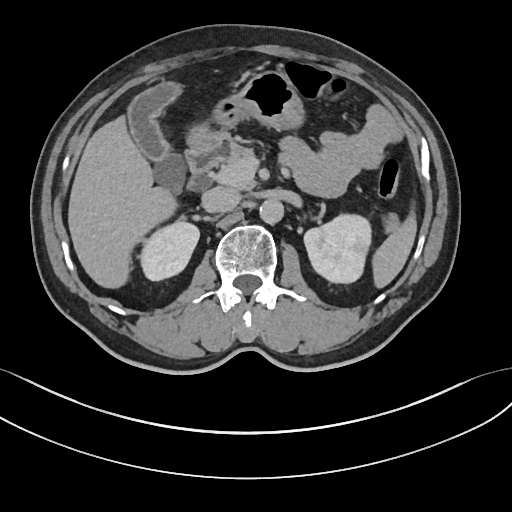 CT abdomen; axial plane, index 153; soft-tissue window; 512x512 px; SOMATOM Force scanner
Boxes: x1 y1 x2 y2 (pixel coords, space-separated).
Organ bounding boxes:
- spleen: 372 210 416 287
- right kidney: 139 220 199 280
- left kidney: 304 214 371 283
- gall bladder: 128 82 185 190
- liver: 68 116 177 288
- stomach: 187 71 304 150
- aorta: 259 199 283 224
- inferior vena cava: 202 187 240 212
- pancreas: 210 142 397 231
- duodenum: 186 136 232 189